CT abdomen · axial view · soft-tissue window · 512x512 px
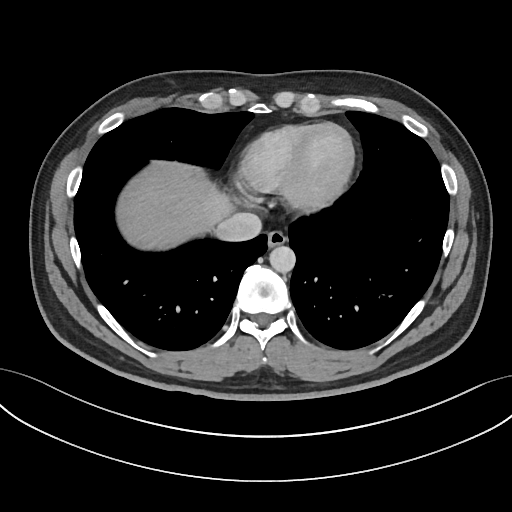 <organs><organ name="esophagus" x1="267" y1="230" x2="286" y2="247"/><organ name="liver" x1="116" y1="161" x2="233" y2="249"/><organ name="aorta" x1="269" y1="245" x2="295" y2="272"/><organ name="inferior vena cava" x1="214" y1="212" x2="261" y2="241"/></organs>